CT, abdomen/pelvis — axial view — 14 organs annotated in this scan (counted over the whole 3D scan, not this slice; an organ is boxed only where this slice passes through it)
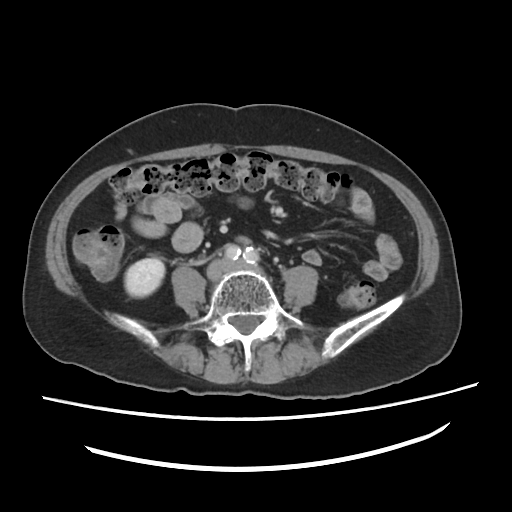 <organs><organ name="right kidney" x1="124" y1="257" x2="164" y2="297"/></organs>